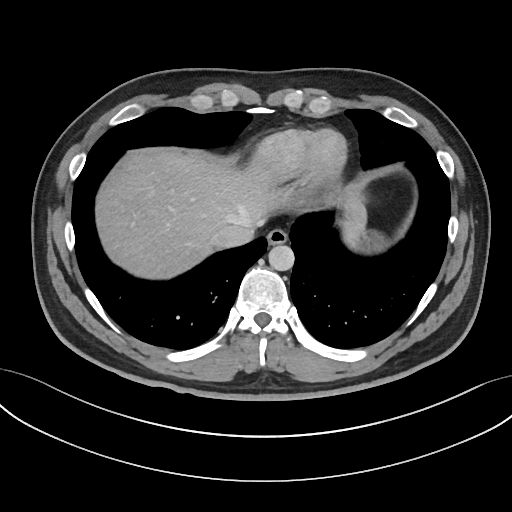
Abdominal CT — axial view — abdomen soft-tissue window — SOMATOM Force scanner
<organs><organ name="liver" x1="95" y1="151" x2="365" y2="278"/><organ name="stomach" x1="347" y1="226" x2="389" y2="253"/><organ name="aorta" x1="268" y1="244" x2="294" y2="270"/><organ name="inferior vena cava" x1="210" y1="224" x2="254" y2="248"/><organ name="esophagus" x1="266" y1="228" x2="287" y2="244"/></organs>